Abdominal CT · axial view · W/L 400/40 HU · 512x512 px · SOMATOM Force scanner
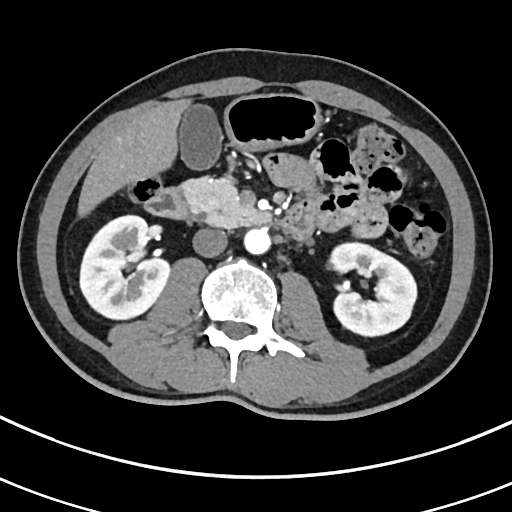 {"organs":{"right kidney":[79,214,168,318],"left kidney":[328,242,415,334],"gall bladder":[177,103,222,168],"liver":[78,99,187,213],"stomach":[224,93,320,148],"aorta":[243,228,270,254],"inferior vena cava":[193,228,228,256],"pancreas":[179,177,268,228],"duodenum":[146,188,315,240]}}